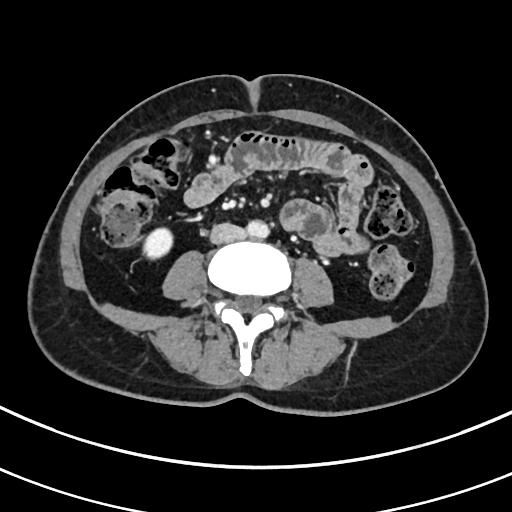

CT, abdomen/pelvis; axial plane, index 94; soft-tissue window; 512x512 px
Organ boxes in pixel coordinates; each row gives the top-left (x1, y1) and bottom-right (x2, y2) corners.
| organ | x1 | y1 | x2 | y2 |
|---|---|---|---|---|
| right kidney | 142 | 228 | 172 | 259 |
| aorta | 246 | 220 | 269 | 237 |
| inferior vena cava | 210 | 223 | 245 | 243 |